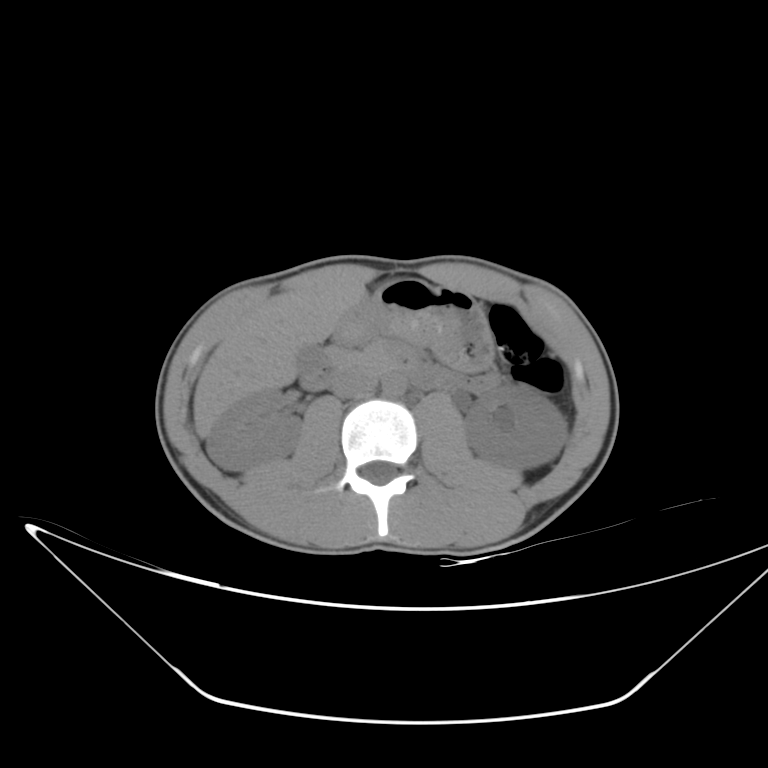 Computed tomography, abdomen. axial view. 768x768 px. 39-year-old male patient. 15 organs annotated in this scan (counted over the whole 3D scan, not this slice; an organ is boxed only where this slice passes through it)
{"organs":{"right kidney":[207,388,301,469],"left kidney":[465,384,568,469],"gall bladder":[296,344,320,370],"liver":[193,283,364,437],"stomach":[339,280,493,370],"aorta":[381,372,406,396],"inferior vena cava":[331,372,377,398],"pancreas":[328,346,399,374],"duodenum":[300,347,449,390]}}